CT of the abdomen extending into the chest, slice through the chest · axial view · soft-tissue window, W/L 400/40 · 512x512 px
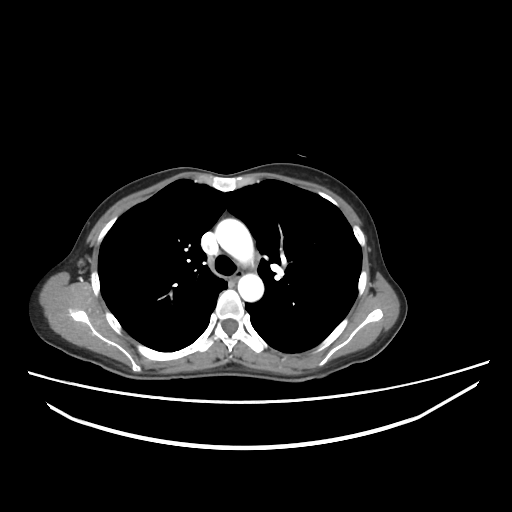 At this level of the chest this dataset labels only the esophagus and the aorta, and each is boxed only where it is labeled; the heart and lungs are never labeled.
Each box given as x1,y1,x2,y2.
Organ bounding boxes:
- esophagus: x1=230, y1=276, x2=240, y2=281
- aorta: x1=215, y1=218, x2=253, y2=264
- aorta: x1=238, y1=273, x2=263, y2=301